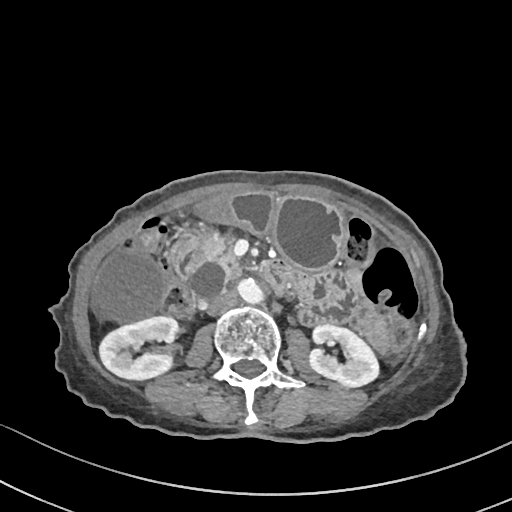 CT abdomen — axial plane, index 156 — acquired on SOMATOM Force
Boxes: x1:y1:x2:y2 in pixels. Labeled organs on this slice: pancreas at 199:234:242:277, stomach at 197:192:344:270, inferior vena cava at 207:290:237:314, gall bladder at 93:250:164:322, right kidney at 99:316:177:379, duodenum at 172:232:294:295, left kidney at 309:324:378:387, aorta at 238:279:263:303.